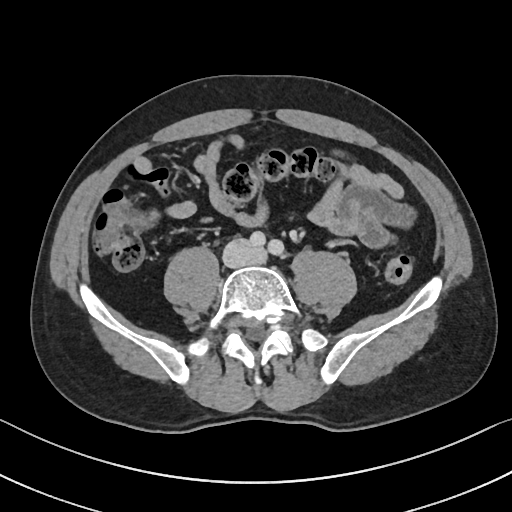 Computed tomography, abdomen. axial plane, index 79. W/L 400/40 HU
Bounding boxes in pixels, one row per box: x1, y1 is the top-left corner and x2, y2 the bottom-right.
| organ | x1 | y1 | x2 | y2 |
|---|---|---|---|---|
| inferior vena cava | 223 | 239 | 260 | 266 |